CT, abdomen/pelvis. axial view. soft-tissue window (W 400 / L 40). 512x512 px
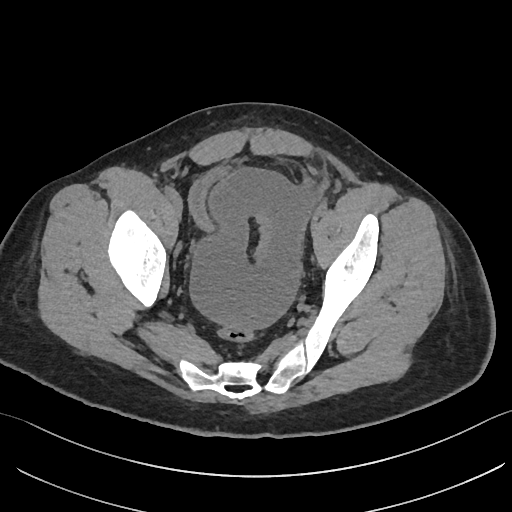
Each box given as x1,y1,x2,y2. 1 labeled organ on this slice — bladder at x1=189, y1=167, x2=231, y2=232.